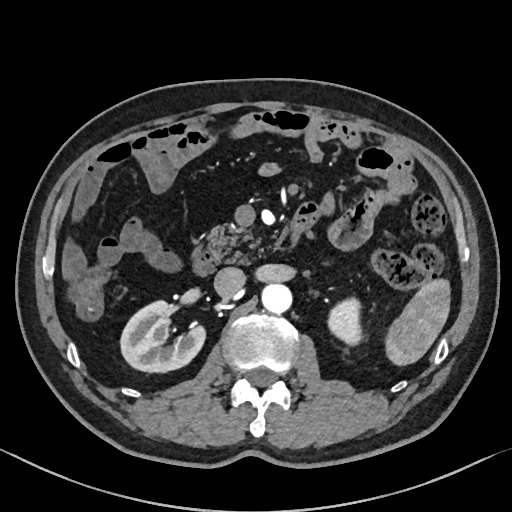 Abdominal CT. axial view. 512x512 px
{"organs":{"pancreas":[206,223,260,262],"left kidney":[329,297,360,344],"spleen":[383,277,451,367],"right kidney":[120,301,205,372],"inferior vena cava":[213,267,244,296],"duodenum":[189,249,218,275],"aorta":[262,284,291,314]}}